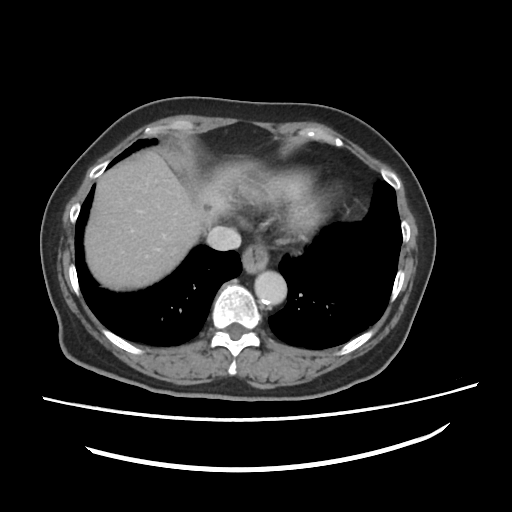

Computed tomography, abdomen; axial view; soft-tissue window (W 400 / L 40)
Bounding boxes as [x1, y1, x2, y2] in pixel coordinates. The annotated organs in this slice are: liver at [84, 150, 256, 291], inferior vena cava at [207, 227, 240, 251], aorta at [255, 271, 286, 304], esophagus at [241, 246, 269, 272].